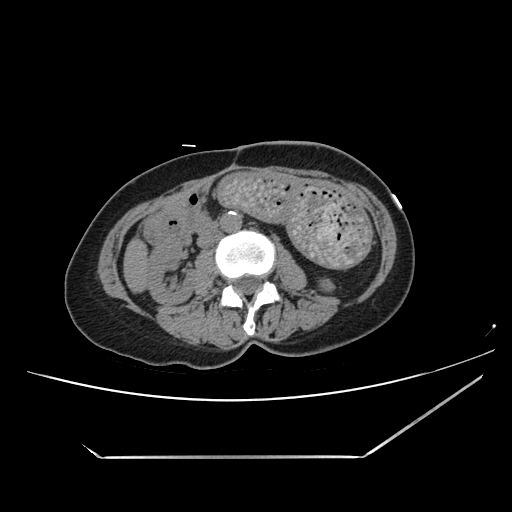
Computed tomography, abdomen. axial plane, index 82. 512x512 px. scan has 14 labeled organs (that count is for the whole scan; organs this slice misses have no box)
Boxes are (x1, y1, x2, y2) in pixels.
Organ bounding boxes:
- aorta: (220, 211, 241, 232)
- right kidney: (147, 244, 196, 304)
- duodenum: (145, 211, 215, 247)
- inferior vena cava: (197, 234, 219, 247)
- liver: (123, 237, 148, 292)
- pancreas: (166, 200, 187, 218)
- stomach: (218, 170, 372, 267)
- left kidney: (319, 278, 333, 292)